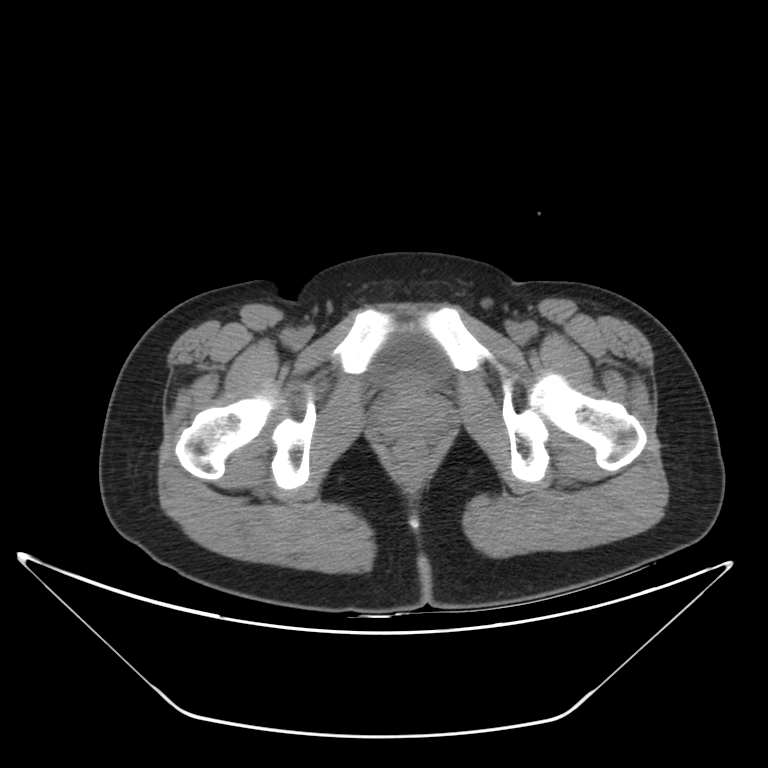

CT abdomen; axial plane, index 14; soft-tissue window (W 400 / L 40); 768x768 px
{"organs":{"bladder":[376,332,443,383]}}